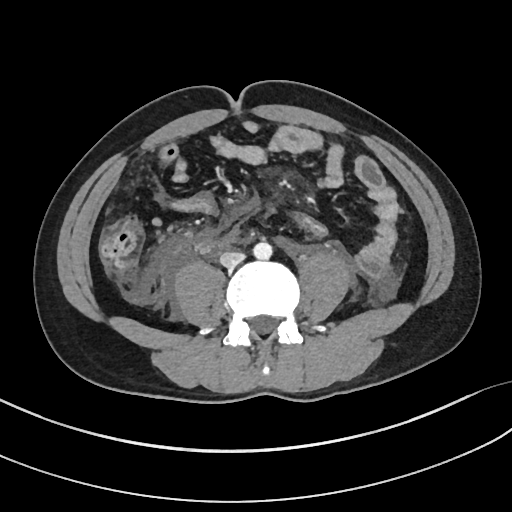

Computed tomography, abdomen. axial view. acquired on SOMATOM Force
Boxes are (x1, y1, x2, y2) in pixels. 2 labeled organs on this slice — aorta at (253, 242, 271, 259); inferior vena cava at (220, 251, 244, 267).